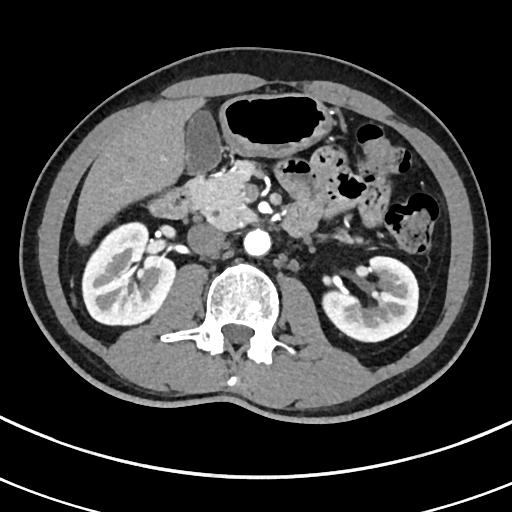

Computed tomography, abdomen — axial view — abdomen soft-tissue window
Each box given as x1,y1,x2,y2.
aorta: x1=243, y1=229, x2=270, y2=255
left kidney: x1=321, y1=256, x2=418, y2=340
stomach: x1=219, y1=93, x2=330, y2=155
pancreas: x1=183, y1=159, x2=353, y2=243
duodenum: x1=146, y1=186, x2=310, y2=237
gall bladder: x1=184, y1=109, x2=222, y2=173
liver: x1=75, y1=96, x2=203, y2=241
inferior vena cava: x1=188, y1=225, x2=225, y2=256
right kidney: x1=81, y1=222, x2=174, y2=324